CT of the abdomen extending into the chest, slice through the chest; axial view; soft-tissue window
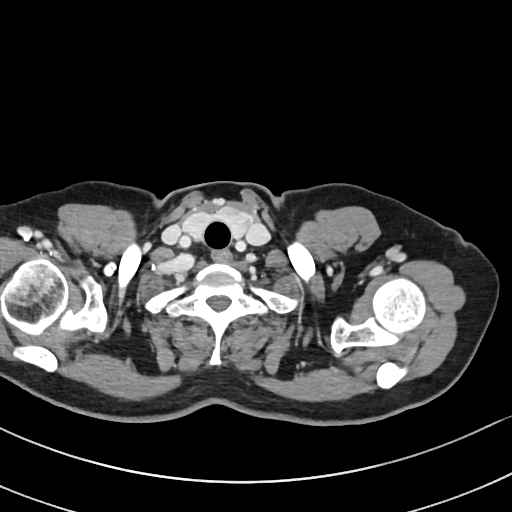 On a slice this high in the chest, this dataset labels only the esophagus and the aorta, and each is boxed only where it is labeled; the heart, lungs and other chest structures are not labeled.
One row per box, in pixels: columns x1 and y1 give the top-left corner, x2 and y2 the bottom-right.
| organ | x1 | y1 | x2 | y2 |
|---|---|---|---|---|
| esophagus | 211 | 249 | 231 | 261 |